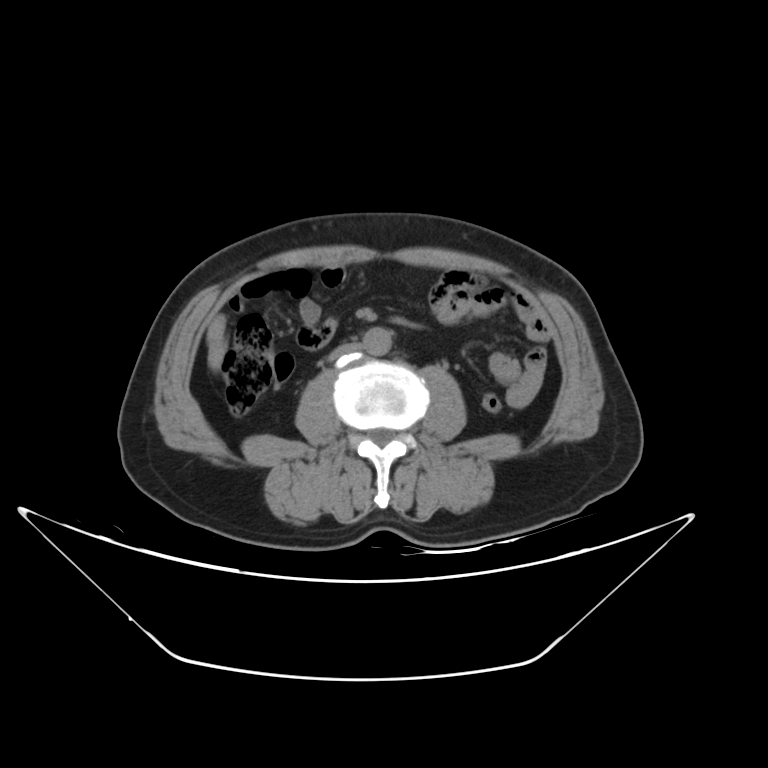
CT, abdomen/pelvis · axial view · Brilliance16 scanner · scan has 15 labeled organs (a whole-scan count: organs this slice does not pass through have no box)
<organs><organ name="aorta" x1="363" y1="328" x2="391" y2="355"/><organ name="inferior vena cava" x1="329" y1="343" x2="362" y2="360"/></organs>